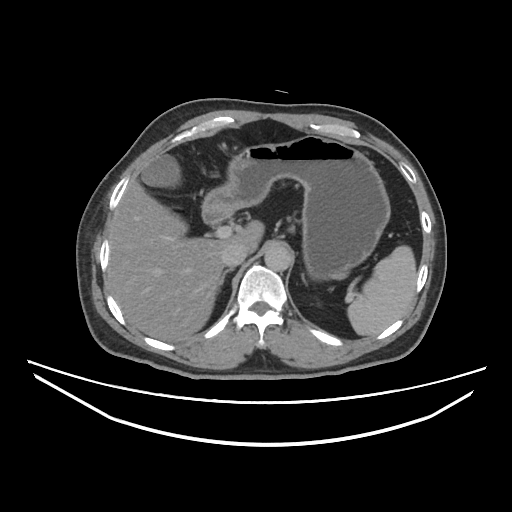

CT, abdomen/pelvis — axial view — soft-tissue window — Aquilion ONE scanner
Boxes: x1:y1:x2:y2 in pixels.
Organ bounding boxes:
- spleen: 348:245:416:337
- gall bladder: 140:155:180:188
- liver: 108:181:264:341
- stomach: 202:135:390:280
- aorta: 264:245:292:270
- inferior vena cava: 221:244:246:267
- right adrenal gland: 220:268:232:286
- left adrenal gland: 301:273:308:285
- duodenum: 202:210:235:224